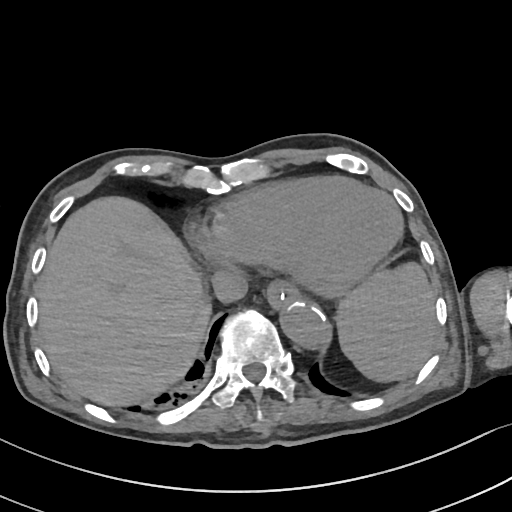

CT abdomen; axial view; abdomen soft-tissue window; acquired on SOMATOM Force; 15 organs annotated in this scan (that count is for the whole scan; organs this slice misses have no box)
{"organs":{"spleen":[336,264,439,382],"esophagus":[266,280,300,308],"liver":[37,196,211,406],"aorta":[277,298,329,347],"inferior vena cava":[211,267,247,302]}}